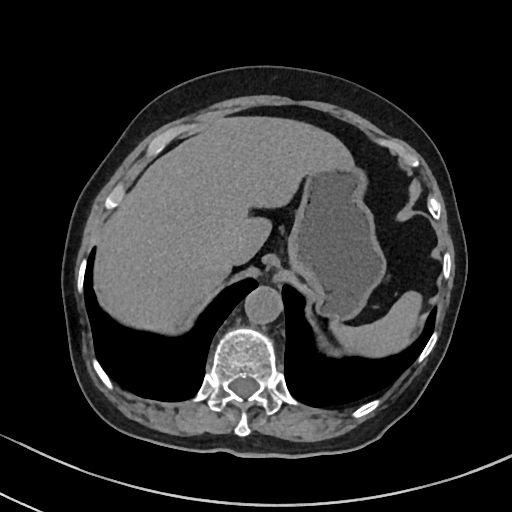

Computed tomography, abdomen; Axial slice 170/202
Bounding boxes in pixels, one row per box: x1, y1 is the top-left corner and x2, y2 the bottom-right.
| organ | x1 | y1 | x2 | y2 |
|---|---|---|---|---|
| inferior vena cava | 222 | 244 | 241 | 266 |
| spleen | 330 | 290 | 421 | 354 |
| aorta | 245 | 285 | 283 | 323 |
| stomach | 288 | 164 | 386 | 320 |
| liver | 94 | 117 | 353 | 332 |